Abdominal MR · axial plane, index 54 · acquired on Prisma
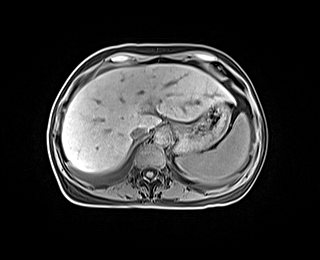
Coordinates as <box>x1,y1,x2,y2</box> in pixels.
Organ bounding boxes:
- spleen: <box>176,113,250,184</box>
- liver: <box>62,64,233,172</box>
- stomach: <box>174,101,230,154</box>
- aorta: <box>154,128,170,145</box>
- inferior vena cava: <box>131,128,146,139</box>